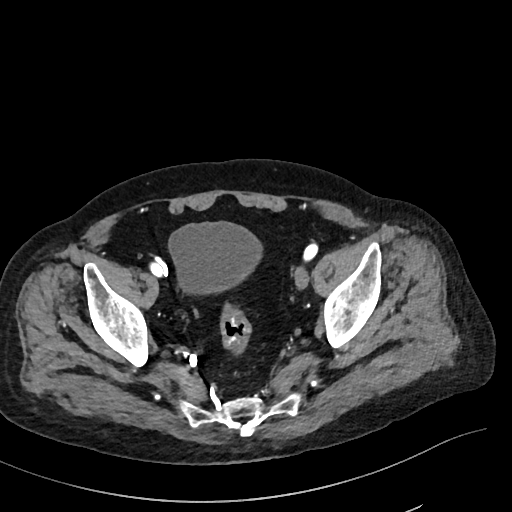
Abdominal CT · axial view · SOMATOM Force scanner · scan has 15 labeled organs (that count is for the whole scan; organs this slice misses have no box)
{"organs":{"bladder":[167,221,261,294]}}